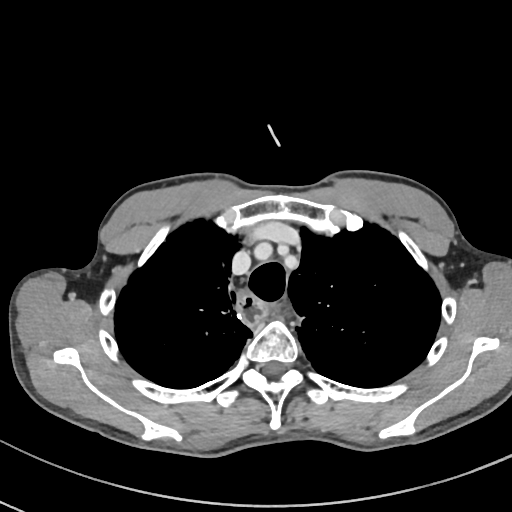

Abdominal CT reaching into the chest; this slice is in the chest; axial plane, index 276; soft-tissue window, W/L 400/40; 512x512 px
At this level of the chest this dataset labels only the esophagus and the aorta, and each is boxed only where it is labeled; the heart and lungs are never labeled. Box edges are left/top/right/bottom in pixels. The annotated organs in this slice are: esophagus at left=235, top=291, right=267, bottom=325.